CT abdomen · axial view · soft-tissue window (W 400 / L 40)
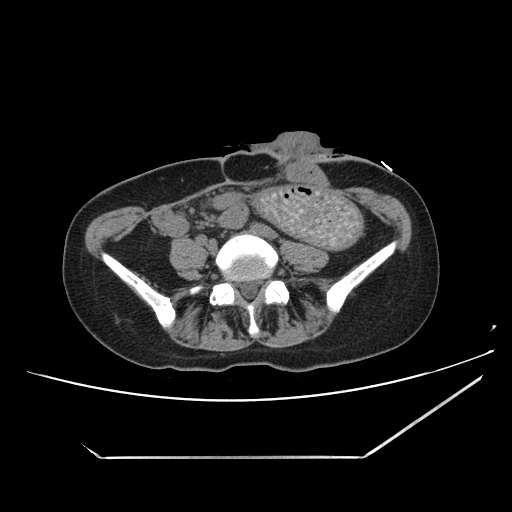

Coordinates as <box>x1,y1,x2,y2</box> in pixels.
stomach: <box>255,185,364,246</box>